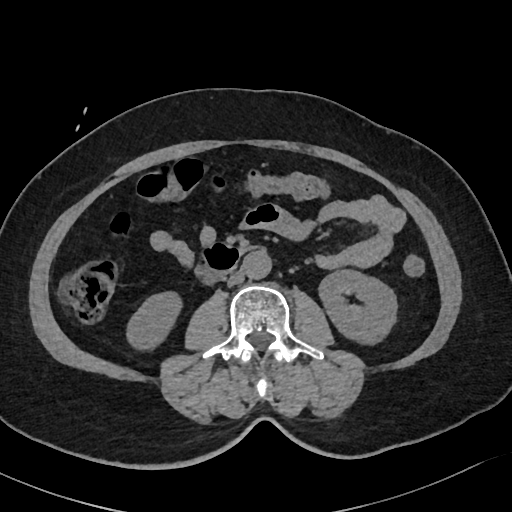
Computed tomography, abdomen — Axial slice 110/192 — 512x512 px
Bounding boxes as [x1, y1, x2, y2] in pixel coordinates.
Organ bounding boxes:
- duodenum: [198, 244, 242, 282]
- aorta: [243, 250, 272, 278]
- inferior vena cava: [228, 270, 244, 285]
- right kidney: [128, 293, 179, 347]
- left kidney: [319, 269, 396, 341]